Computed tomography, abdomen. axial view. W/L 400/40 HU. SOMATOM Force scanner. scan has 15 labeled organs (counted over the whole 3D scan, not this slice; an organ is boxed only where this slice passes through it)
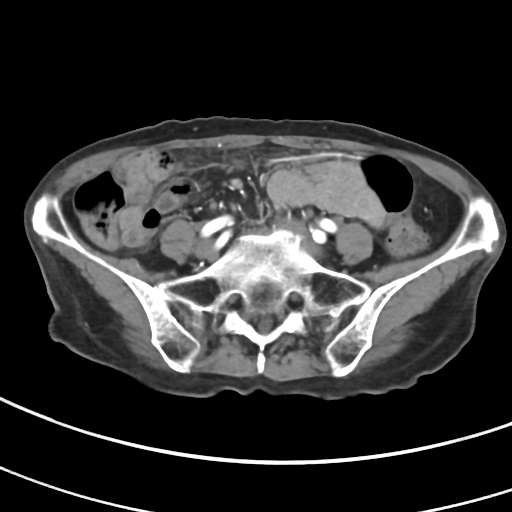 Boxes: x1:y1:x2:y2 in pixels.
Organ bounding boxes:
- stomach: 306:162:366:189